Abdominal MR; axial view; acquired on Prisma; 13 organs annotated in this scan (counted over the whole 3D scan, not this slice; an organ is boxed only where this slice passes through it)
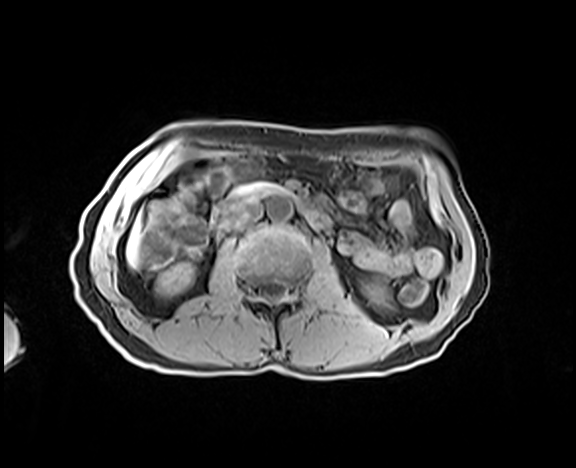
Bounding boxes in pixels, one row per box: x1, y1 is the top-left corner and x2, y2 the bottom-right.
| organ | x1 | y1 | x2 | y2 |
|---|---|---|---|---|
| right kidney | 156 | 263 | 194 | 297 |
| left kidney | 364 | 283 | 386 | 302 |
| liver | 126 | 217 | 141 | 268 |
| aorta | 267 | 197 | 292 | 221 |
| inferior vena cava | 228 | 205 | 262 | 230 |
| pancreas | 230 | 181 | 294 | 199 |
| duodenum | 212 | 196 | 332 | 230 |